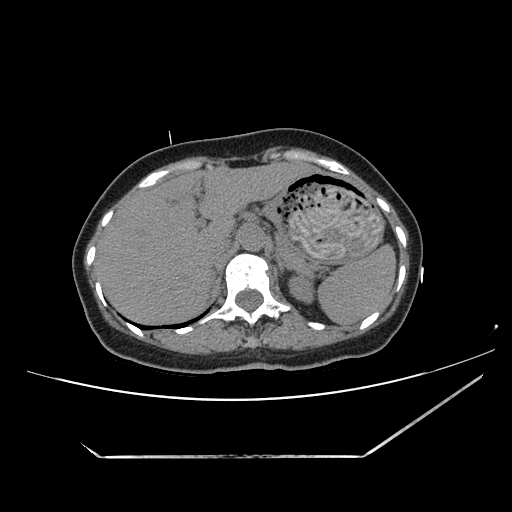 Computed tomography, abdomen — axial view — soft-tissue window (W 400 / L 40) — 512x512 px
Coordinates as <box>x1,y1,x2,y2</box> in pixels.
Organ bounding boxes:
- left adrenal gland: <box>276,256,290,274</box>
- spleen: <box>318,244,396,325</box>
- aorta: <box>238,226,265,251</box>
- stomach: <box>265,171,384,262</box>
- left kidney: <box>288,274,314,303</box>
- inferior vena cava: <box>204,238,230,264</box>
- pancreas: <box>279,241,310,273</box>
- liver: <box>95,162,317,324</box>